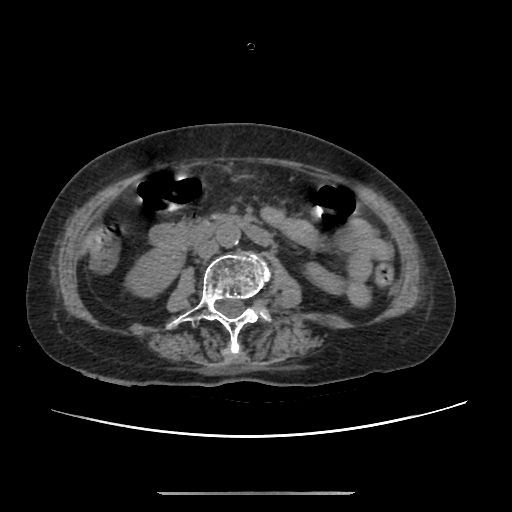 CT, abdomen/pelvis — axial view
Boxes: x1:y1:x2:y2 in pixels.
right kidney: 128:248:182:296
aorta: 216:224:240:247
inferior vena cava: 196:240:218:257
duodenum: 153:215:270:247